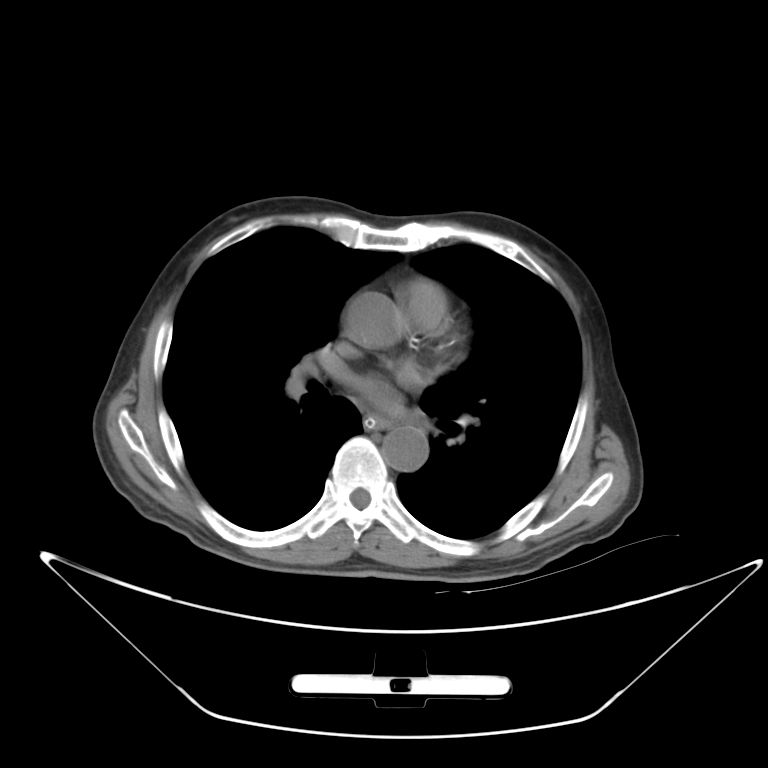 Abdominal CT; this slice is in the lower chest, just above the liver · axial view · W/L 400/40 HU · 64-year-old male patient
The heart and lungs are never labeled in this dataset, so they have no box on this slice.
Boxes are (x1, y1, x2, y2) in pixels.
Organ bounding boxes:
- esophagus: (361, 417, 389, 429)
- aorta: (382, 425, 428, 471)